CT, abdomen/pelvis — axial view — 512x512 px
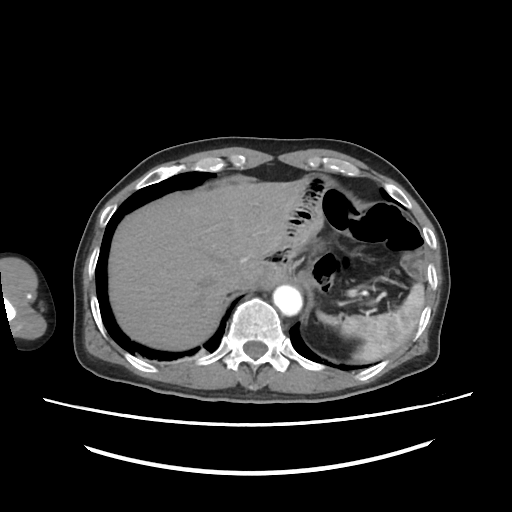

Bounding boxes as [x1, y1, x2, y2] in pixel coordinates.
spleen: [317, 282, 424, 359]
liver: [107, 178, 320, 350]
aorta: [272, 286, 301, 313]
inferior vena cava: [224, 273, 244, 289]